CT of the abdomen reaching into the lower chest, slice just above the liver and spleen; axial view; soft-tissue window, W/L 400/40
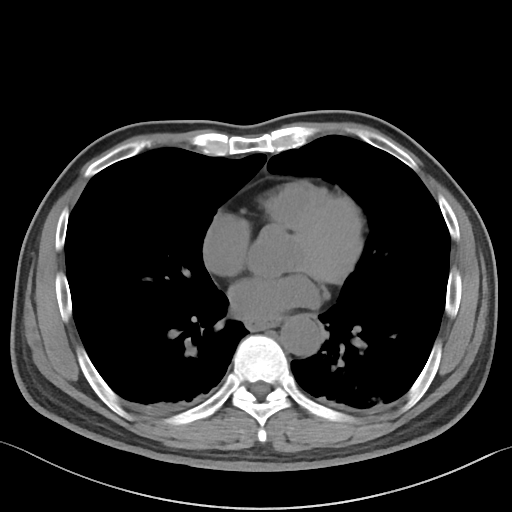

No part of the heart or lungs is labeled in this dataset, so neither has a box here.
<organs><organ name="aorta" x1="280" y1="314" x2="322" y2="356"/><organ name="esophagus" x1="249" y1="319" x2="277" y2="329"/></organs>